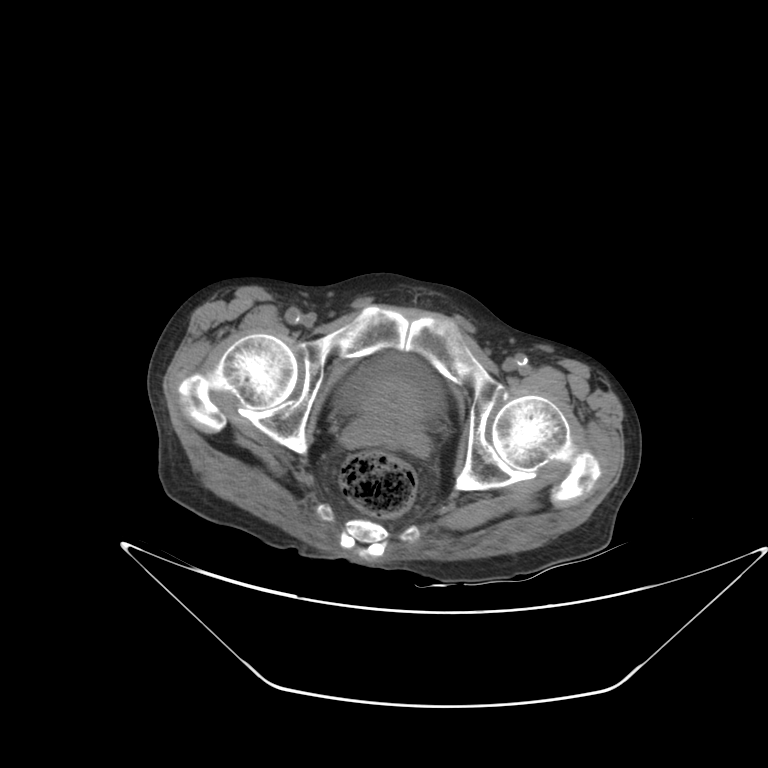 Computed tomography, abdomen. axial view. W/L 400/40 HU
{"organs":{"prostate/uterus":[351,386,424,448],"bladder":[337,354,443,412]}}